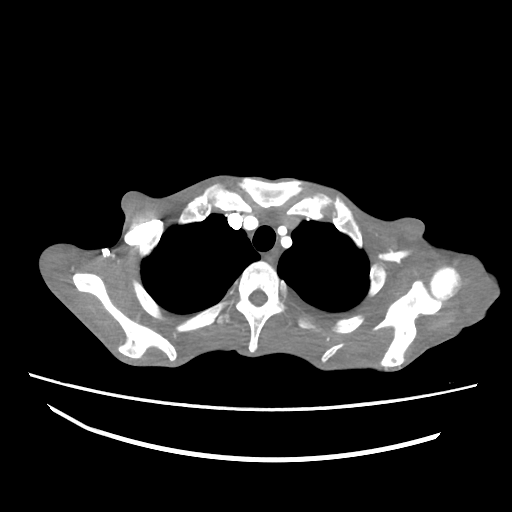
Chest-level CT slice, above the liver and spleen — Axial slice 116/123 — 512x512 px — acquired on Aquilion ONE
On a slice this high in the chest, this dataset labels only the esophagus and the aorta, and each is boxed only where it is labeled; the heart, lungs and other chest structures are not labeled.
Organ boxes in pixel coordinates; each row gives the top-left (x1, y1) and bottom-right (x2, y2) corners.
| organ | x1 | y1 | x2 | y2 |
|---|---|---|---|---|
| esophagus | 265 | 248 | 278 | 261 |